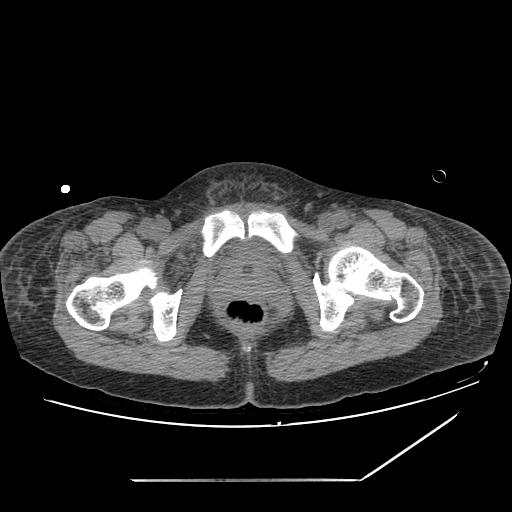
CT, abdomen/pelvis · axial plane, index 12 · soft-tissue window (W 400 / L 40) · acquired on SOMATOM Force
Boxes: x1:y1:x2:y2 in pixels.
Organ bounding boxes:
- bladder: 227:242:267:260